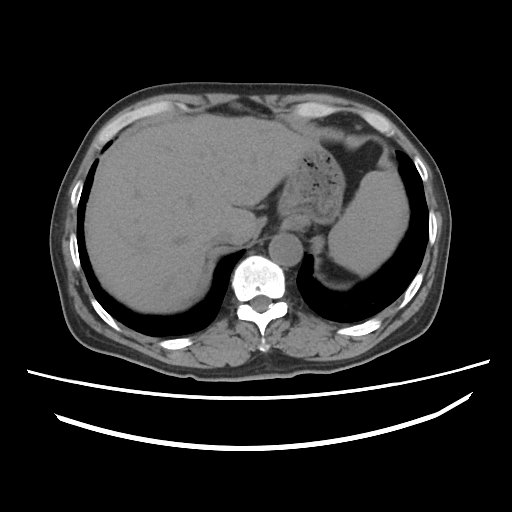
Abdominal CT — axial view — 512x512 px
Boxes are (x1, y1, x2, y2) in pixels. 5 labeled organs on this slice — spleen at (328, 171, 407, 276); aorta at (269, 233, 302, 266); liver at (84, 114, 311, 313); inferior vena cava at (210, 230, 233, 246); stomach at (278, 143, 345, 223).